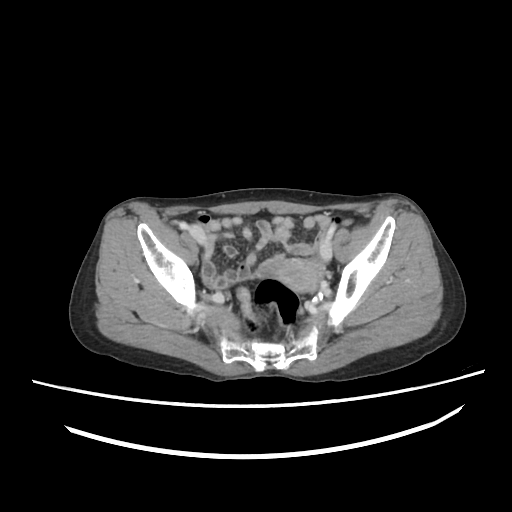 CT, abdomen/pelvis · axial plane, index 20 · soft-tissue window · 15 organs annotated in this scan (a whole-scan count: organs this slice does not pass through have no box)
Boxes: x1:y1:x2:y2 in pixels.
Organ bounding boxes:
- prostate/uterus: 275:260:320:293